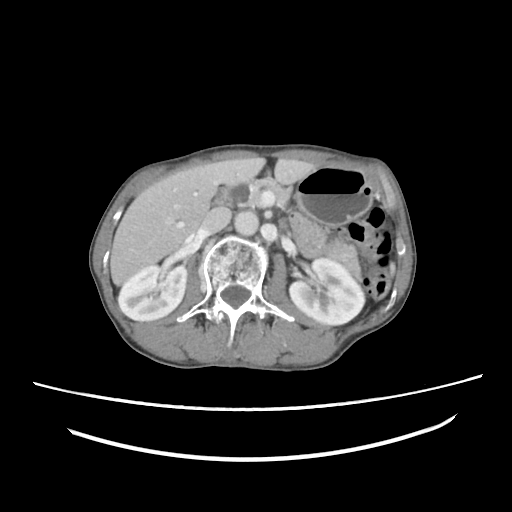
CT abdomen — axial plane, index 55 — 59-year-old male patient
{"organs":{"pancreas":[246,177,361,278],"right kidney":[118,265,186,321],"left kidney":[289,258,364,325],"liver":[110,157,316,285],"aorta":[234,211,258,235],"inferior vena cava":[200,207,231,234],"stomach":[295,166,373,226],"duodenum":[213,185,235,204]}}